Abdominal CT · axial plane, index 76 · soft-tissue window (W 400 / L 40)
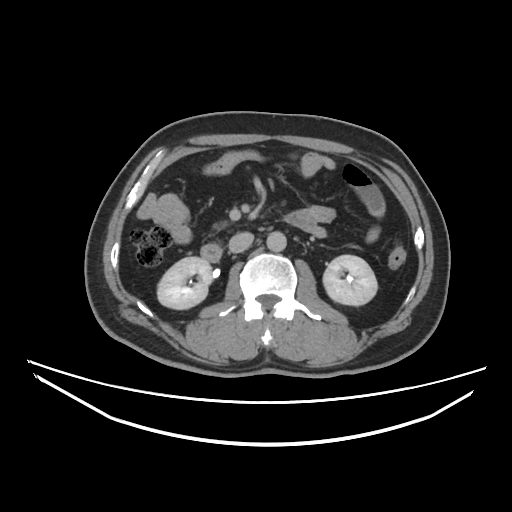 Each box given as x1,y1,x2,y2. The annotated organs in this slice are: left kidney at x1=322, y1=255, x2=377, y2=304, right kidney at x1=157, y1=256, x2=213, y2=309, inferior vena cava at x1=229, y1=231, x2=253, y2=252, aorta at x1=267, y1=231, x2=287, y2=252, duodenum at x1=200, y1=244, x2=221, y2=262.